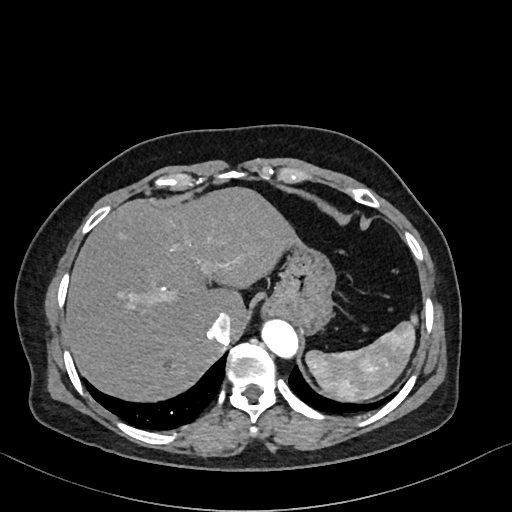 CT, abdomen/pelvis · axial plane, index 183 · W/L 400/40 HU
{"organs":{"spleen":[306,317,416,401],"liver":[66,186,298,401],"stomach":[263,240,335,334],"aorta":[261,319,297,357],"inferior vena cava":[208,313,232,343]}}